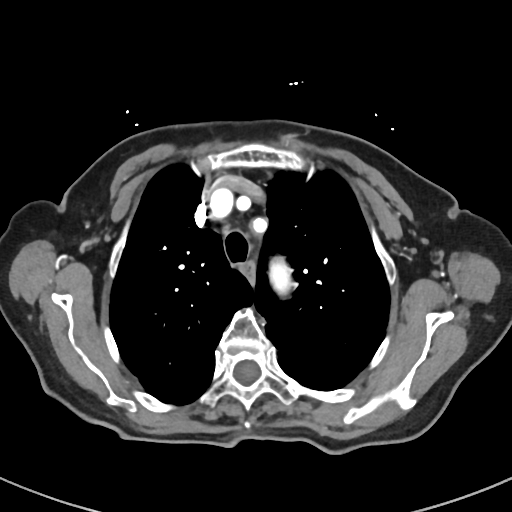

Abdominal CT reaching into the chest; this slice is in the chest; axial plane, index 247; soft-tissue window, W/L 400/40
On a slice this high in the chest, this dataset labels only the esophagus and the aorta, and each is boxed only where it is labeled; the heart, lungs and other chest structures are not labeled.
Bounding boxes in pixels, one row per box: x1, y1 is the top-left corner and x2, y2 the bottom-right.
| organ | x1 | y1 | x2 | y2 |
|---|---|---|---|---|
| esophagus | 241 | 261 | 254 | 285 |
| aorta | 268 | 258 | 292 | 293 |